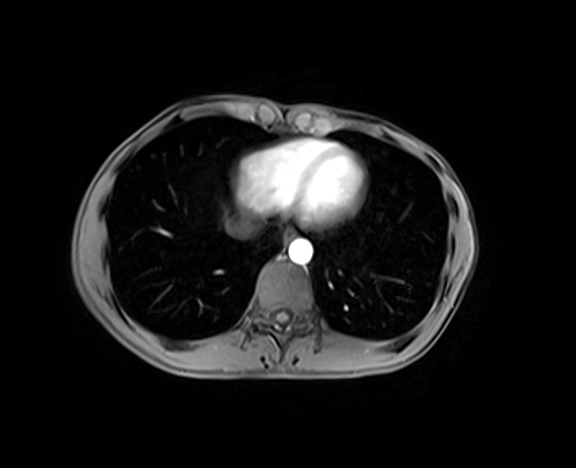 Abdominal MRI; this slice is in the lower chest, just above the liver — axial view — 576x468 px
Of the structures in the chest, this dataset labels only the esophagus, the aorta and the inferior vena cava; the heart and lungs have no label.
<organs><organ name="esophagus" x1="283" y1="228" x2="294" y2="241"/><organ name="aorta" x1="288" y1="239" x2="312" y2="264"/><organ name="inferior vena cava" x1="225" y1="214" x2="260" y2="237"/></organs>